CT abdomen; axial view; 46-year-old male patient
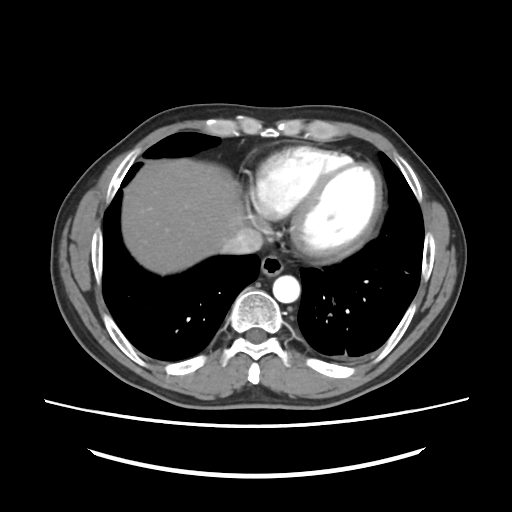 Boxes: x1:y1:x2:y2 in pixels.
Organ bounding boxes:
- esophagus: 260:254:284:276
- liver: 122:158:244:274
- aorta: 272:275:300:303
- inferior vena cava: 222:227:263:254